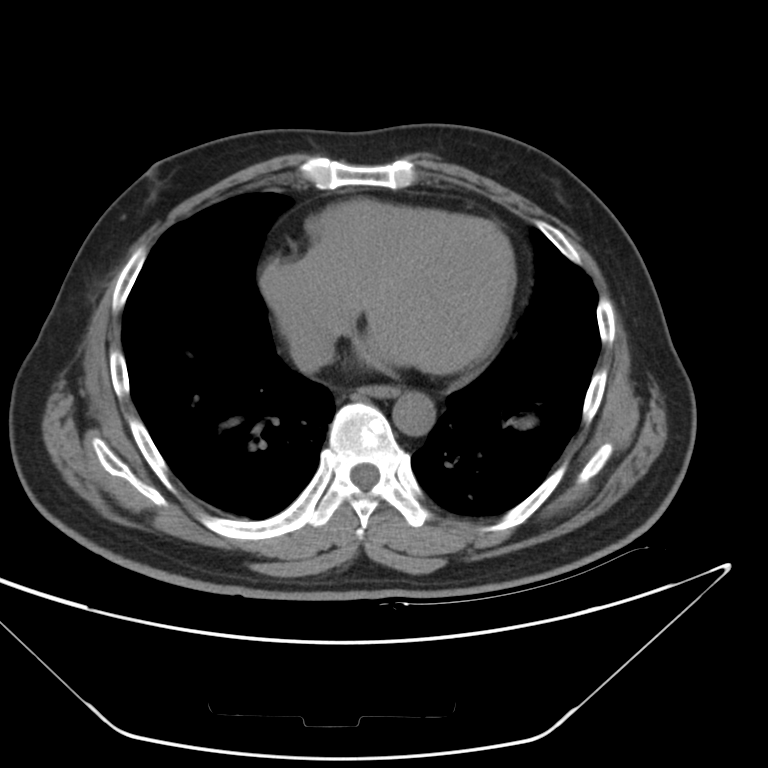 Lower-chest slice from an abdominal CT, just above the liver and spleen. axial plane, index 98. soft-tissue window. 768x768 px
No part of the heart or lungs is labeled in this dataset, so neither has a box here.
Each box given as x1,y1,x2,y2.
Organ bounding boxes:
- inferior vena cava: x1=291, y1=335, x2=331, y2=372
- esophagus: x1=360, y1=385, x2=400, y2=395
- aorta: x1=395, y1=391, x2=434, y2=436